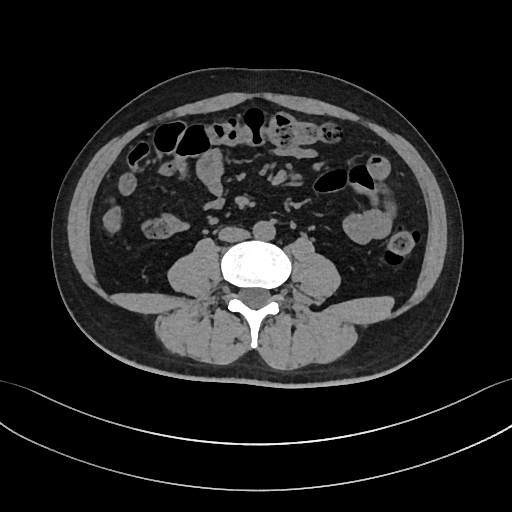

Computed tomography, abdomen · axial view · soft-tissue window · SOMATOM Force scanner
Box edges are left/top/right/bottom in pixels.
aorta: left=253, top=221, right=274, bottom=240
inferior vena cava: left=219, top=227, right=249, bottom=242